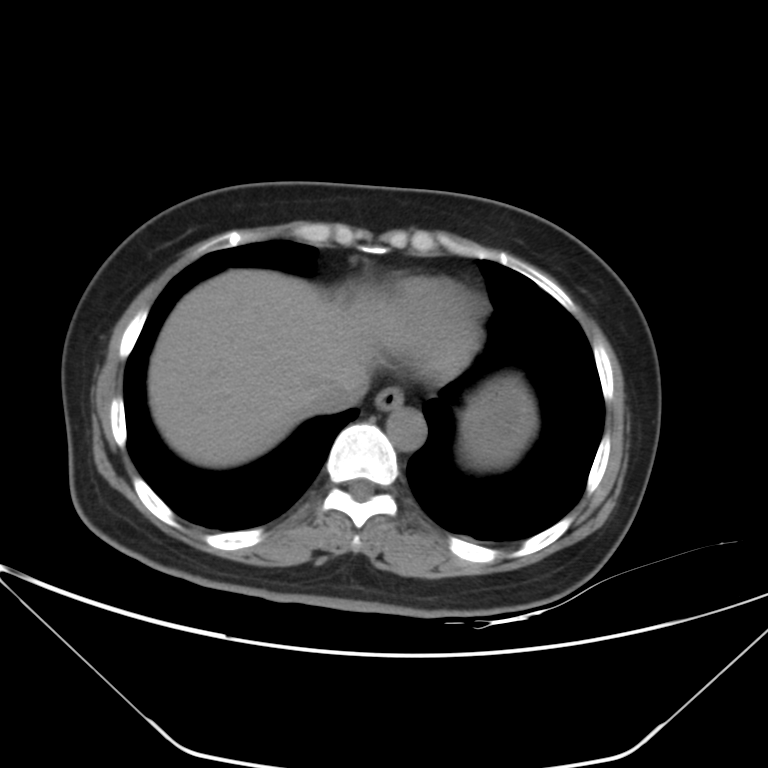 CT, abdomen/pelvis. axial view. soft-tissue window (W 400 / L 40). acquired on Brilliance16
Bounding boxes as [x1, y1, x2, y2] in pixel coordinates. 5 labeled organs on this slice — esophagus at [375, 387, 403, 411]; liver at [148, 269, 381, 466]; stomach at [461, 378, 536, 468]; aorta at [387, 408, 425, 451]; inferior vena cava at [309, 388, 358, 413].